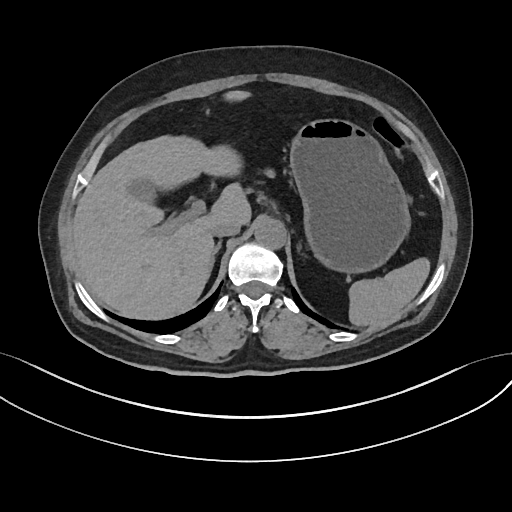 CT abdomen · axial view · 512x512 px
Boxes are (x1, y1, x2, y2) in pixels. The annotated organs in this slice are: spleen at (349, 258, 430, 326), gall bladder at (124, 174, 158, 205), liver at (73, 91, 250, 320), stomach at (289, 118, 409, 271), aorta at (254, 218, 285, 247), inferior vena cava at (211, 218, 240, 236), pancreas at (263, 169, 275, 177), right adrenal gland at (208, 239, 221, 273).